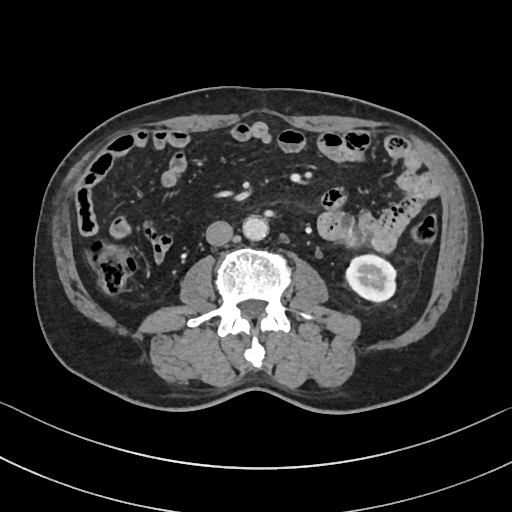

Computed tomography, abdomen — axial plane, index 130
<organs><organ name="left kidney" x1="347" y1="255" x2="395" y2="301"/><organ name="aorta" x1="243" y1="215" x2="268" y2="240"/><organ name="inferior vena cava" x1="205" y1="221" x2="233" y2="245"/></organs>